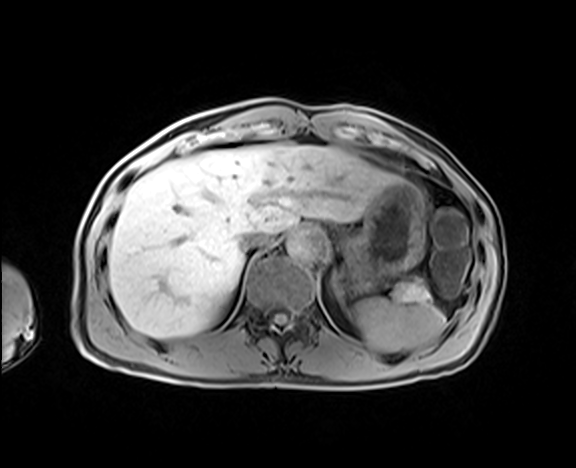 Abdominal MR; axial plane, index 45
{"organs":{"spleen":[354,298,445,351],"liver":[108,144,401,338],"stomach":[335,181,424,294],"aorta":[286,229,327,261],"inferior vena cava":[240,231,269,251],"pancreas":[391,279,432,303]}}